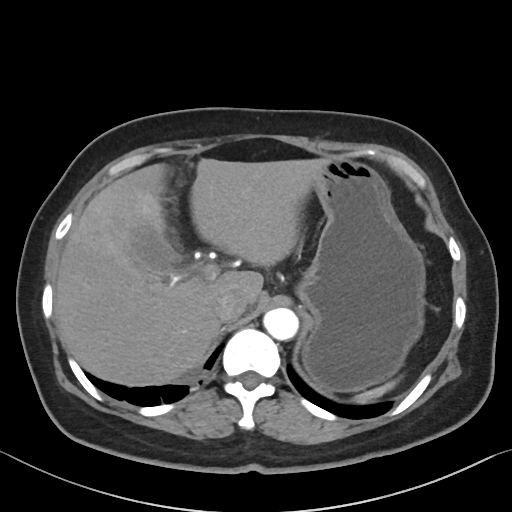 Computed tomography, abdomen; Axial slice 70/88; 15 organs annotated in this scan (counted over the whole 3D scan, not this slice; an organ is boxed only where this slice passes through it)
<organs><organ name="gall bladder" x1="130" y1="226" x2="181" y2="276"/><organ name="liver" x1="55" y1="158" x2="324" y2="385"/><organ name="stomach" x1="296" y1="159" x2="425" y2="392"/><organ name="aorta" x1="263" y1="308" x2="298" y2="340"/><organ name="spleen" x1="353" y1="379" x2="398" y2="404"/><organ name="inferior vena cava" x1="214" y1="292" x2="246" y2="322"/></organs>